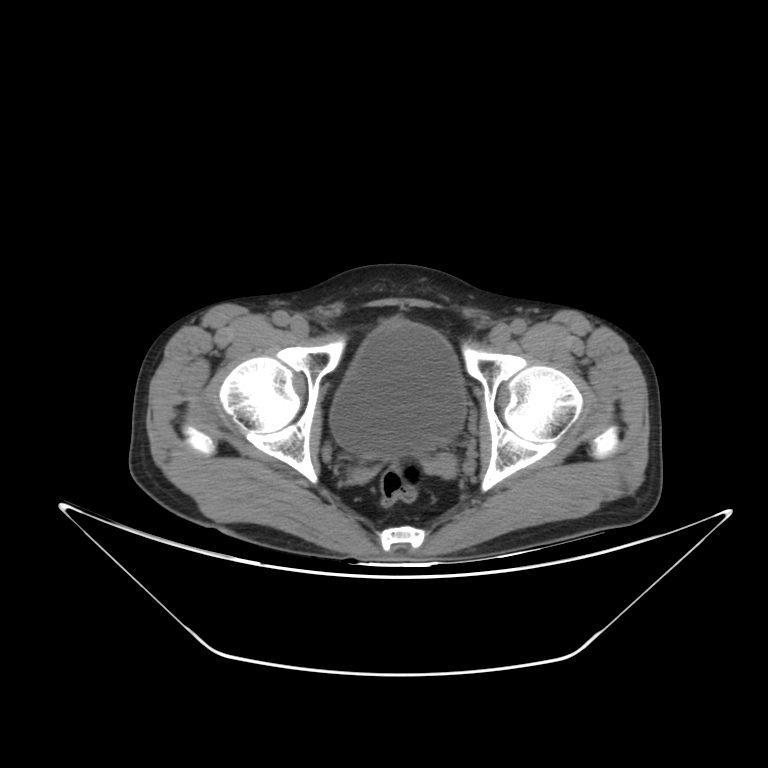 Abdominal CT — axial view — abdomen soft-tissue window — 768x768 px — 52-year-old male patient — Brilliance16 scanner
{"organs":{"bladder":[330,319,466,457]}}